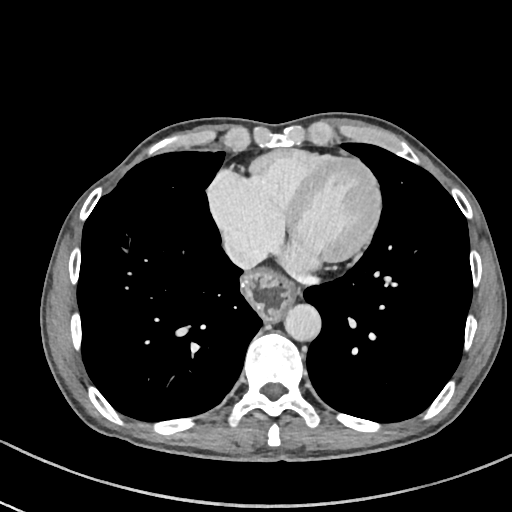
Abdominal CT; this slice is in the lower chest, just above the liver; axial view
No part of the heart or lungs is labeled in this dataset, so neither has a box here.
Boxes: x1 y1 x2 y2 (pixel coords, space-separated).
Organ bounding boxes:
- esophagus: 242 270 295 319
- aorta: 284 303 321 340
- inferior vena cava: 224 235 263 269